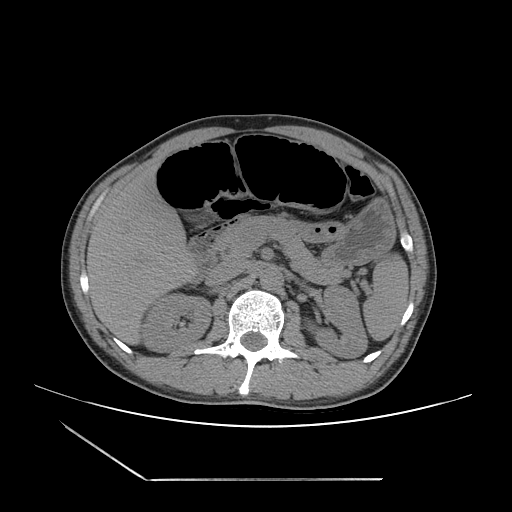
CT, abdomen/pelvis — axial view — soft-tissue window (W 400 / L 40) — 512x512 px
Bounding boxes as [x1, y1, x2, y2] in pixel coordinates. The annotated organs in this slice are: spleen at [363, 253, 408, 340], right kidney at [141, 293, 210, 351], left kidney at [306, 286, 367, 358], liver at [86, 161, 197, 344], stomach at [301, 199, 395, 264], aorta at [259, 267, 282, 290], inferior vena cava at [207, 259, 247, 285], pancreas at [216, 216, 349, 284], duodenum at [188, 231, 218, 278].